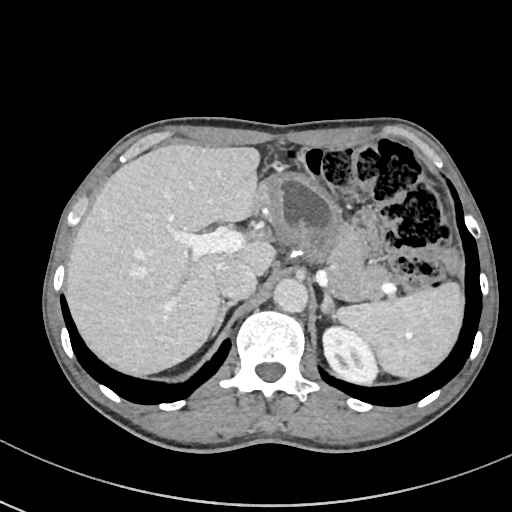 CT abdomen · axial view · 15 organs annotated in this scan (a whole-scan count: organs this slice does not pass through have no box)
Boxes are (x1, y1, x2, y2) in pixels.
spleen: (336, 283, 464, 379)
left kidney: (321, 323, 380, 386)
liver: (65, 144, 275, 376)
stomach: (254, 174, 342, 264)
aorta: (272, 277, 306, 311)
inferior vena cava: (215, 258, 256, 300)
pancreas: (328, 218, 389, 300)
right adrenal gland: (208, 300, 237, 339)
left adrenal gland: (319, 286, 338, 324)